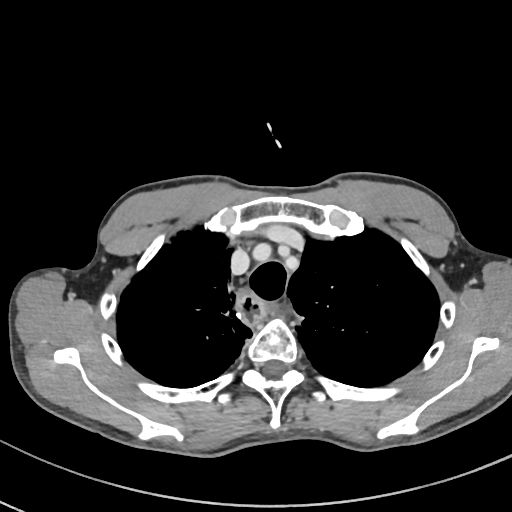
Chest-level slice from an abdominal CT that extends up into the chest — Axial slice 278/306 — 512x512 px
On a slice this high in the chest, this dataset labels only the esophagus and the aorta, and each is boxed only where it is labeled; the heart, lungs and other chest structures are not labeled.
Boxes: x1 y1 x2 y2 (pixel coords, space-separated).
esophagus: 237 289 268 323